CT of the abdomen extending into the chest, slice through the chest; axial view
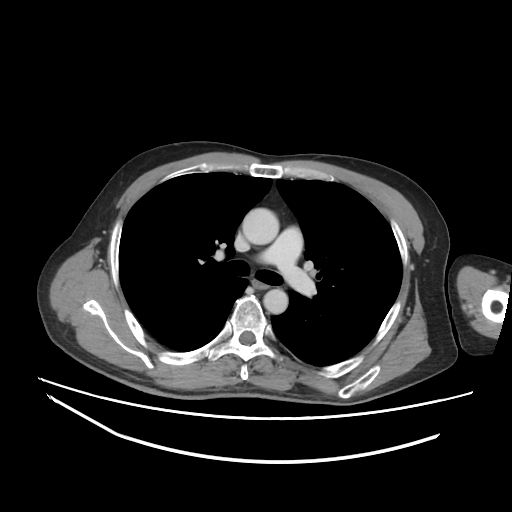 On a slice this high in the chest, this dataset labels only the esophagus and the aorta, and each is boxed only where it is labeled; the heart, lungs and other chest structures are not labeled.
Organ boxes in pixel coordinates; each row gives the top-left (x1, y1) and bottom-right (x2, y2) corners.
| organ | x1 | y1 | x2 | y2 |
|---|---|---|---|---|
| esophagus | 252 | 280 | 267 | 287 |
| aorta | 242 | 208 | 279 | 244 |
| aorta | 263 | 289 | 288 | 314 |